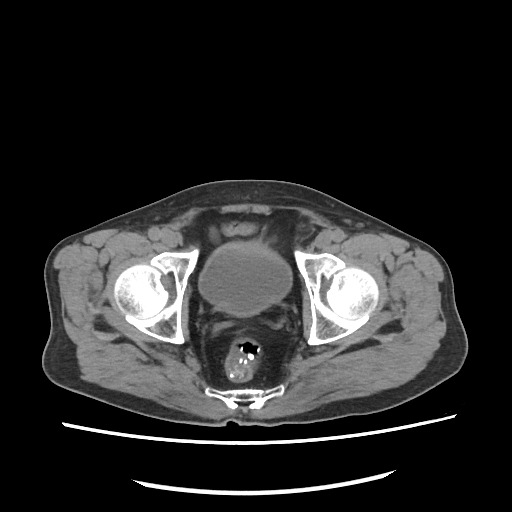 CT abdomen — axial view — abdomen soft-tissue window — 512x512 px — 68-year-old male patient
Coordinates as <box>x1,y1,x2,y2</box> in pixels.
Organ bounding boxes:
- bladder: <box>199,242,292,315</box>